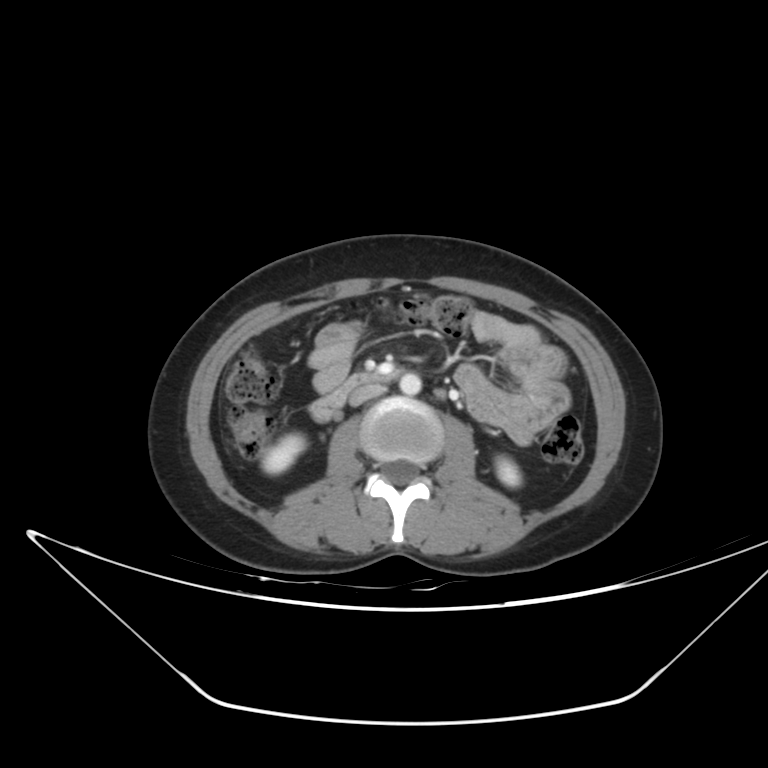 Computed tomography, abdomen. axial plane, index 3. abdomen soft-tissue window
Boxes: x1 y1 x2 y2 (pixel coords, space-separated). 5 labeled organs on this slice — right kidney at 262 434 305 473; inferior vena cava at 350 385 383 405; aorta at 399 373 421 395; left kidney at 496 457 520 486; duodenum at 309 372 397 421.